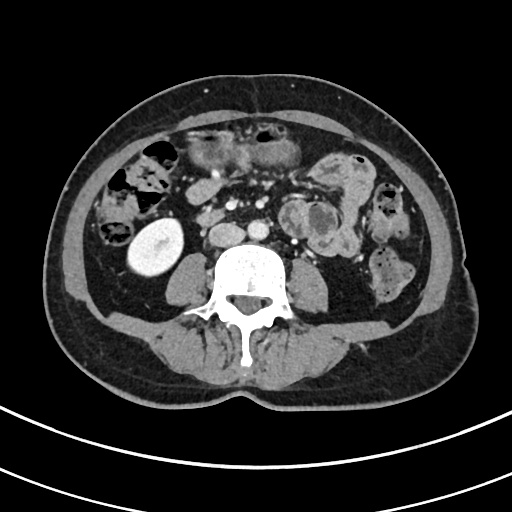 Computed tomography, abdomen — axial view — SOMATOM Force scanner
Coordinates as <box>x1,y1,x2,y2</box> in pixels. The annotated organs in this slice are: right kidney at <box>127,218,182,276</box>, stomach at <box>189,125,294,165</box>, aorta at <box>248,220,268,239</box>, inferior vena cava at <box>208,223,245,246</box>, duodenum at <box>198,211,221,225</box>.